Abdominal CT reaching into the chest; this slice is in the chest · axial plane, index 101 · soft-tissue window (W 400 / L 40) · 58-year-old male patient
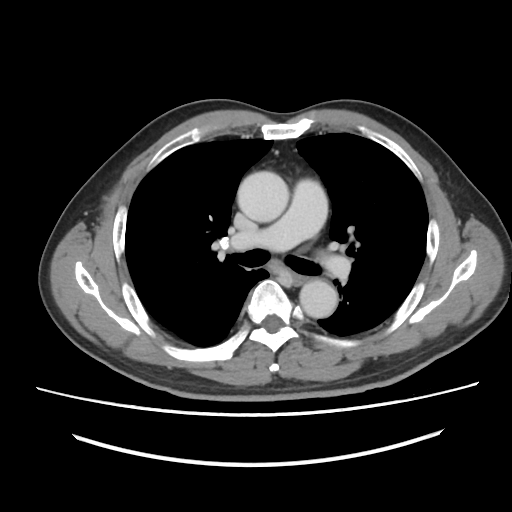
At this level of the chest no structure but the esophagus and the aorta has a label in this dataset, and those two are boxed only where they are labeled.
Boxes: x1:y1:x2:y2 in pixels.
Organ bounding boxes:
- esophagus: 294:275:307:284
- aorta: 237:171:289:222
- aorta: 299:279:337:318